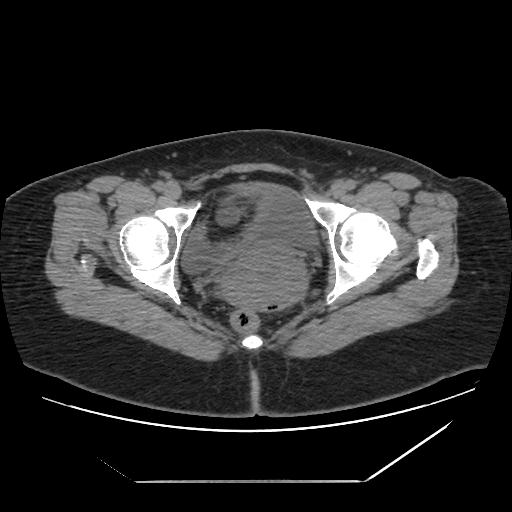
Computed tomography, abdomen — axial view
Bounding boxes in pixels, one row per box: x1, y1 is the top-left corner and x2, y2 the bottom-right.
| organ | x1 | y1 | x2 | y2 |
|---|---|---|---|---|
| bladder | 182 | 183 | 316 | 273 |
| prostate/uterus | 222 | 252 | 306 | 309 |